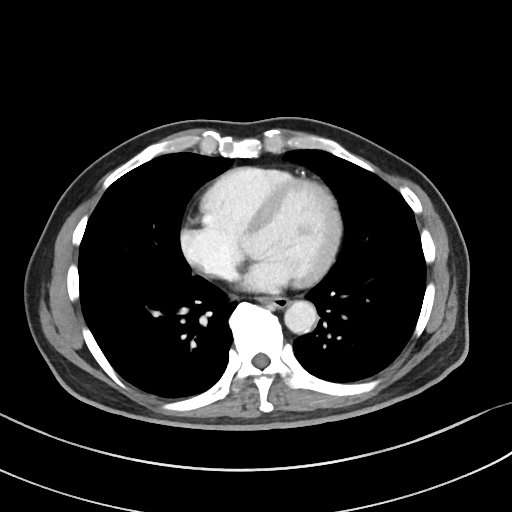

Lower-chest slice from an abdominal CT, just above the liver and spleen · axial view · W/L 400/40 HU
Of the structures in the chest, this dataset labels only the esophagus, the aorta and the inferior vena cava; the heart and lungs have no label. Boxes are (x1, y1, x2, y2) in pixels. 2 labeled organs on this slice — esophagus at (266, 297, 289, 307); aorta at (284, 300, 317, 333).